Abdominal CT; Axial slice 83/94; Brilliance16 scanner
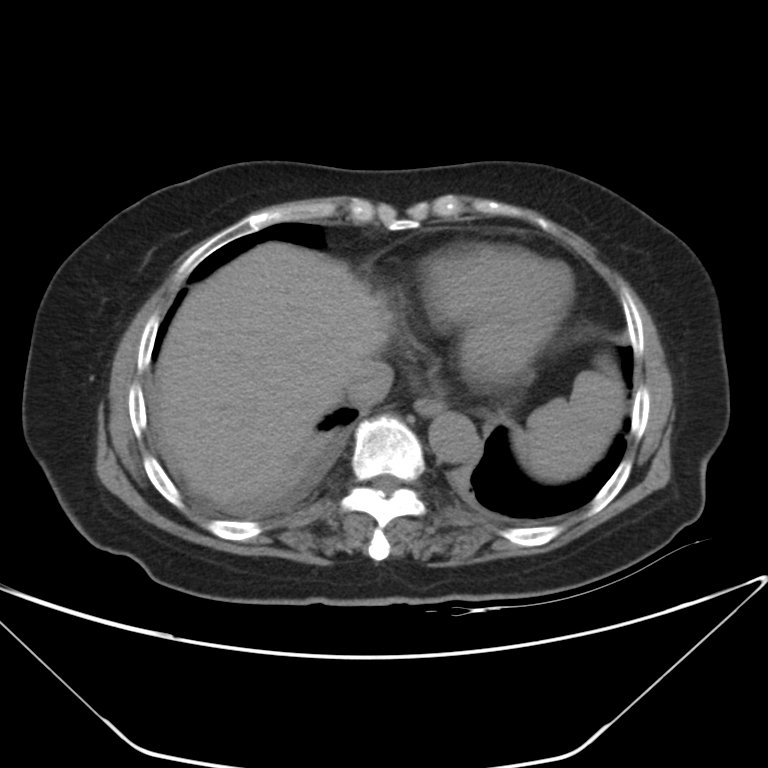

{"organs":{"inferior vena cava":[343,359,393,406],"aorta":[429,412,480,463],"spleen":[513,356,625,482],"liver":[151,243,391,504],"esophagus":[414,397,443,416]}}